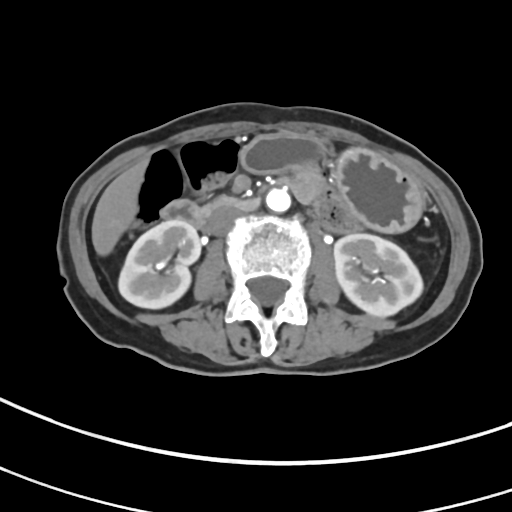
Computed tomography, abdomen. Axial slice 49/118. soft-tissue window. 512x512 px. SOMATOM Force scanner
Organ boxes in pixel coordinates; each row gives the top-left (x1, y1) and bottom-right (x2, y2) corners.
| organ | x1 | y1 | x2 | y2 |
|---|---|---|---|---|
| right kidney | 118 | 220 | 200 | 309 |
| left kidney | 334 | 233 | 422 | 316 |
| liver | 92 | 161 | 146 | 255 |
| stomach | 239 | 135 | 424 | 231 |
| aorta | 266 | 188 | 290 | 212 |
| inferior vena cava | 207 | 208 | 240 | 235 |
| duodenum | 161 | 195 | 260 | 227 |